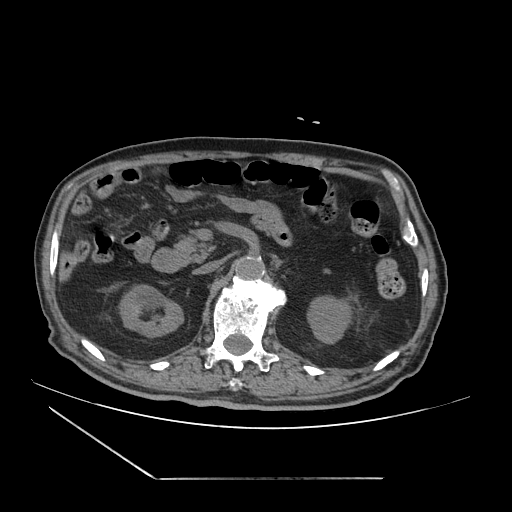
CT, abdomen/pelvis — axial view — SOMATOM Force scanner — scan has 15 labeled organs (a whole-scan count: organs this slice does not pass through have no box)
Boxes: x1:y1:x2:y2 in pixels. Labeled organs on this slice: right kidney at 122:285:182:336, left kidney at 308:298:350:343, aorta at 234:257:265:281, inferior vena cava at 193:261:220:274, pancreas at 173:236:215:265, duodenum at 151:249:180:272.